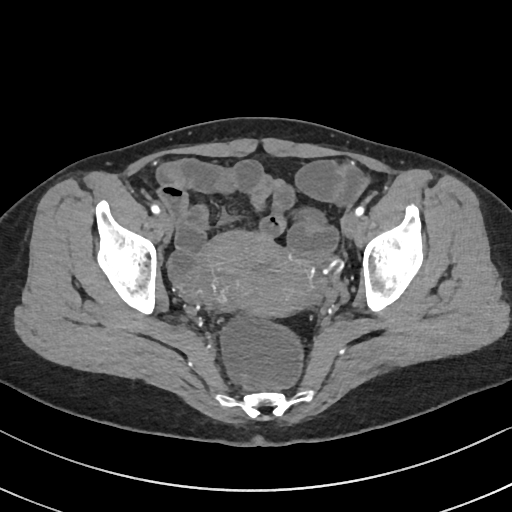
CT, abdomen/pelvis · axial view · W/L 400/40 HU · acquired on SOMATOM Force
{"organs":{"prostate/uterus":[201,233,304,316]}}